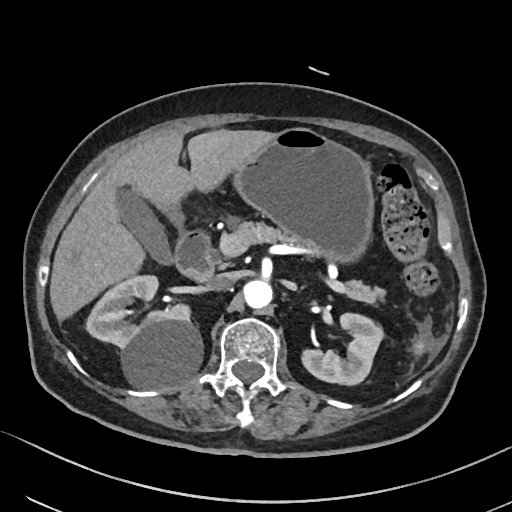
Abdominal CT. axial view. abdomen soft-tissue window. acquired on SOMATOM Force
{"organs":{"spleen":[414,340,425,355],"right kidney":[85,273,203,389],"left kidney":[301,311,384,385],"gall bladder":[113,182,169,262],"liver":[49,130,270,319],"stomach":[163,127,371,259],"aorta":[242,279,272,307],"inferior vena cava":[207,272,236,290],"pancreas":[232,220,380,302],"duodenum":[172,230,214,283]}}